Abdominal MRI; Axial slice 64/72; Prisma scanner
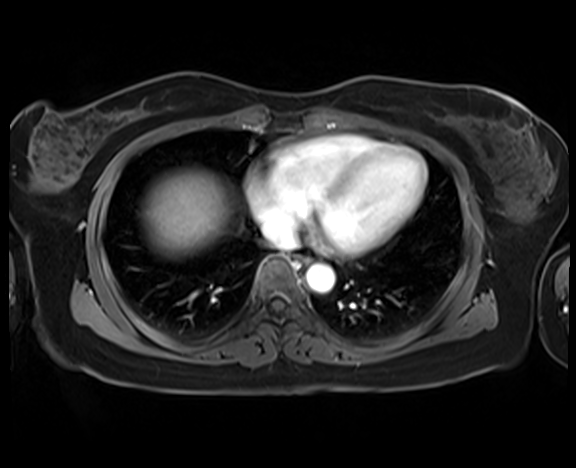
{"organs":{"liver":[142,169,230,256],"esophagus":[297,255,310,264],"aorta":[306,263,334,293],"inferior vena cava":[263,221,296,248]}}